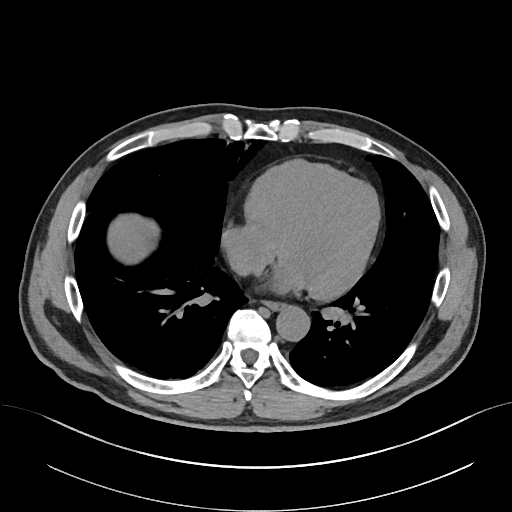 CT abdomen · Axial slice 253/265 · 512x512 px · acquired on SOMATOM Force
Organ boxes in pixel coordinates; each row gives the top-left (x1, y1) and bottom-right (x2, y2) corners.
| organ | x1 | y1 | x2 | y2 |
|---|---|---|---|---|
| esophagus | 263 | 301 | 283 | 311 |
| liver | 108 | 214 | 157 | 263 |
| aorta | 275 | 306 | 309 | 341 |